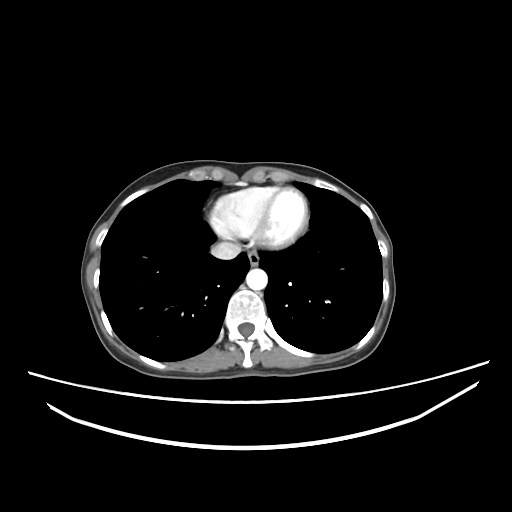
Abdominal CT; this slice is in the lower chest, just above the liver; axial view; soft-tissue window, W/L 400/40; 512x512 px; 43-year-old female patient; acquired on Aquilion ONE
No part of the heart or lungs is labeled in this dataset, so neither has a box here.
<organs><organ name="esophagus" x1="247" y1="250" x2="259" y2="266"/><organ name="aorta" x1="246" y1="268" x2="267" y2="290"/><organ name="inferior vena cava" x1="211" y1="241" x2="241" y2="259"/></organs>